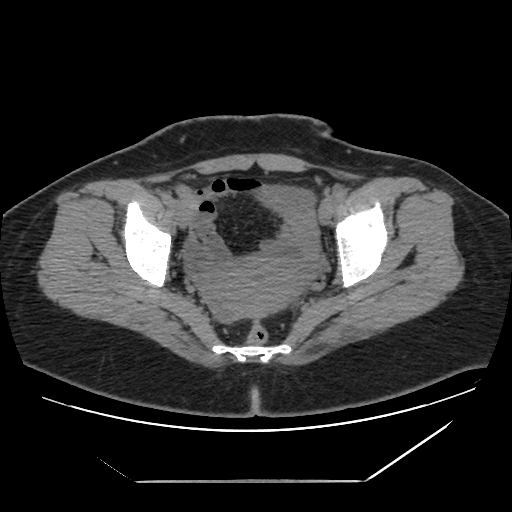 CT abdomen · Axial slice 53/345 · abdomen soft-tissue window · SOMATOM Force scanner · scan has 15 labeled organs (a whole-scan count: organs this slice does not pass through have no box)
{"organs":{"prostate/uterus":[207,256,303,318]}}